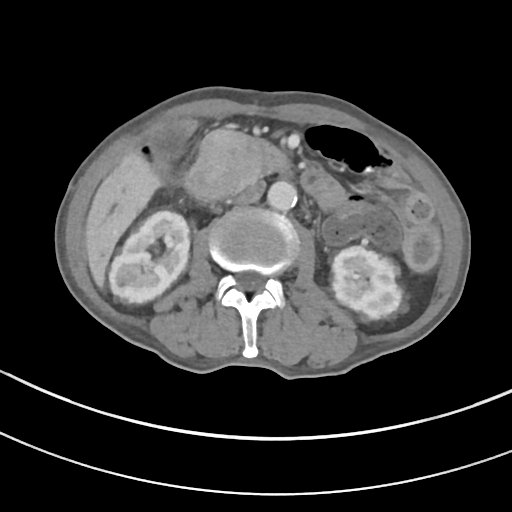 CT, abdomen/pelvis; Axial slice 49/122
Box edges are left/top/right/bottom in pixels.
right kidney: left=108, top=211, right=189, bottom=303
left kidney: left=332, top=246, right=407, bottom=319
gall bladder: left=150, top=126, right=186, bottom=161
liver: left=85, top=150, right=161, bottom=286
aorta: left=267, top=180, right=297, bottom=211
inferior vena cava: left=235, top=181, right=264, bottom=204
pancreas: left=226, top=128, right=236, bottom=199
duodenum: left=184, top=128, right=289, bottom=200